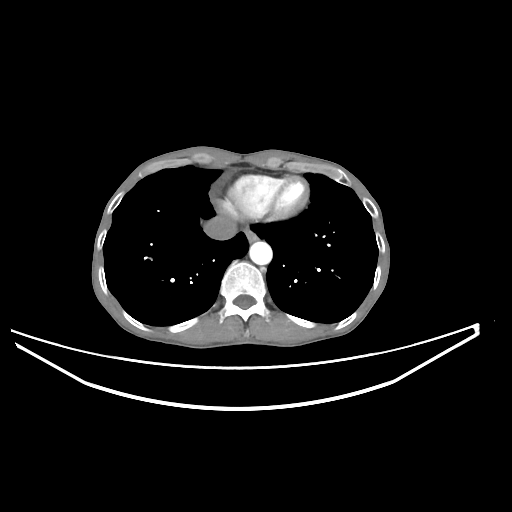

CT of the abdomen reaching into the lower chest, slice just above the liver and spleen. Axial slice 81/131. soft-tissue window (W 400 / L 40). 512x512 px
No part of the heart or lungs is labeled in this dataset, so neither has a box here.
One row per box, in pixels: columns x1 and y1 give the top-left corner, x2 and y2 the bottom-right.
| organ | x1 | y1 | x2 | y2 |
|---|---|---|---|---|
| esophagus | 243 | 226 | 258 | 242 |
| aorta | 249 | 241 | 272 | 264 |
| inferior vena cava | 203 | 215 | 237 | 240 |